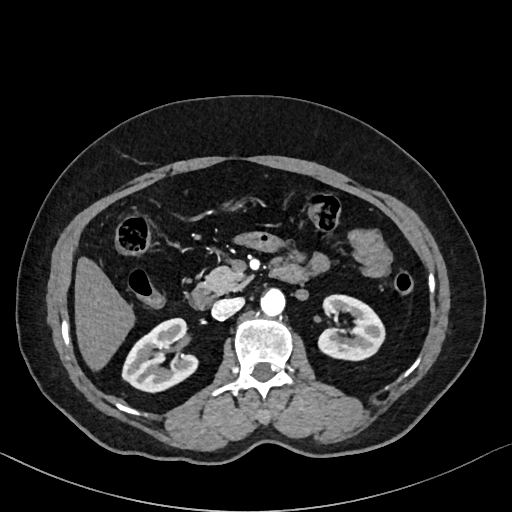 Computed tomography, abdomen · axial plane, index 137
Boxes: x1 y1 x2 y2 (pixel coords, space-separated).
Organ bounding boxes:
- right kidney: 123 318 198 392
- left kidney: 318 295 384 361
- liver: 74 257 135 371
- aorta: 260 289 284 317
- inferior vena cava: 211 298 243 320
- pancreas: 198 265 252 294
- duodenum: 190 261 307 310